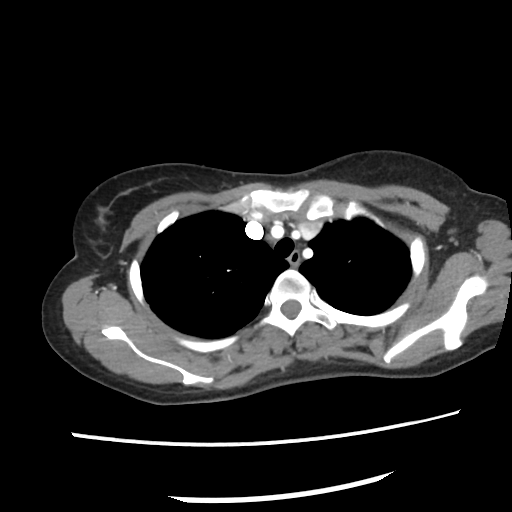
Abdominal CT reaching into the chest; this slice is in the chest · axial plane, index 114 · soft-tissue window (W 400 / L 40) · 512x512 px · 34-year-old female patient
At this level of the chest this dataset labels only the esophagus and the aorta, and each is boxed only where it is labeled; the heart and lungs are never labeled.
Boxes are (x1, y1, x2, y2) in pixels.
Organ bounding boxes:
- esophagus: (286, 249, 300, 267)